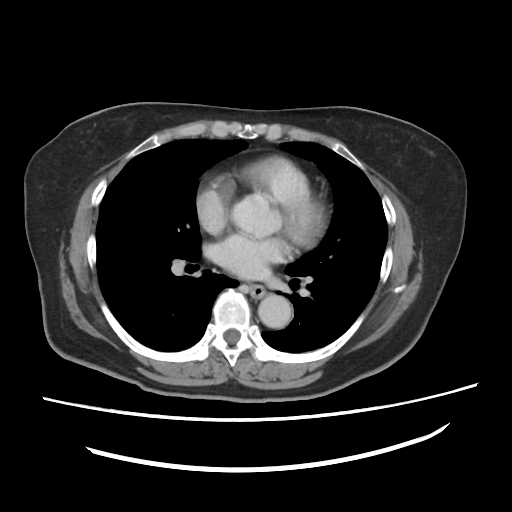

Lower-chest slice from an abdominal CT, just above the liver and spleen · axial view
No part of the heart or lungs is labeled in this dataset, so neither has a box here.
Coordinates as <box>x1,y1,x2,y2</box> in pixels.
Organ bounding boxes:
- esophagus: <box>243,284,265,297</box>
- aorta: <box>258,294,294,328</box>